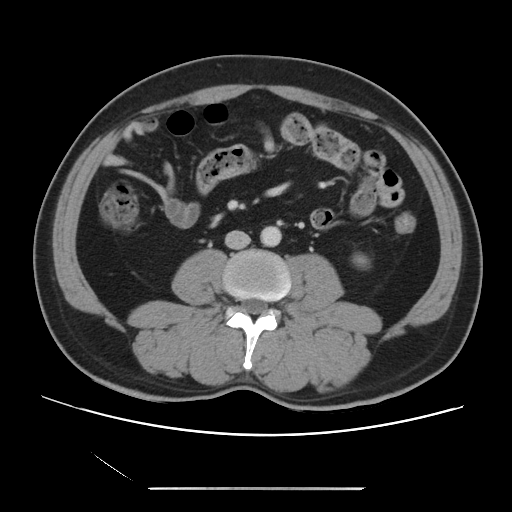
Computed tomography, abdomen; Axial slice 54/131; 512x512 px
Coordinates as <box>x1,y1,x2,y2</box> in pixels.
Organ bounding boxes:
- left kidney: <box>355,256,366,265</box>
- aorta: <box>260,226,281,246</box>
- inferior vena cava: <box>225,230,250,249</box>